Computed tomography, abdomen — axial view — soft-tissue window (W 400 / L 40) — 39-year-old female patient — scan has 15 labeled organs (that count is for the whole scan; organs this slice misses have no box)
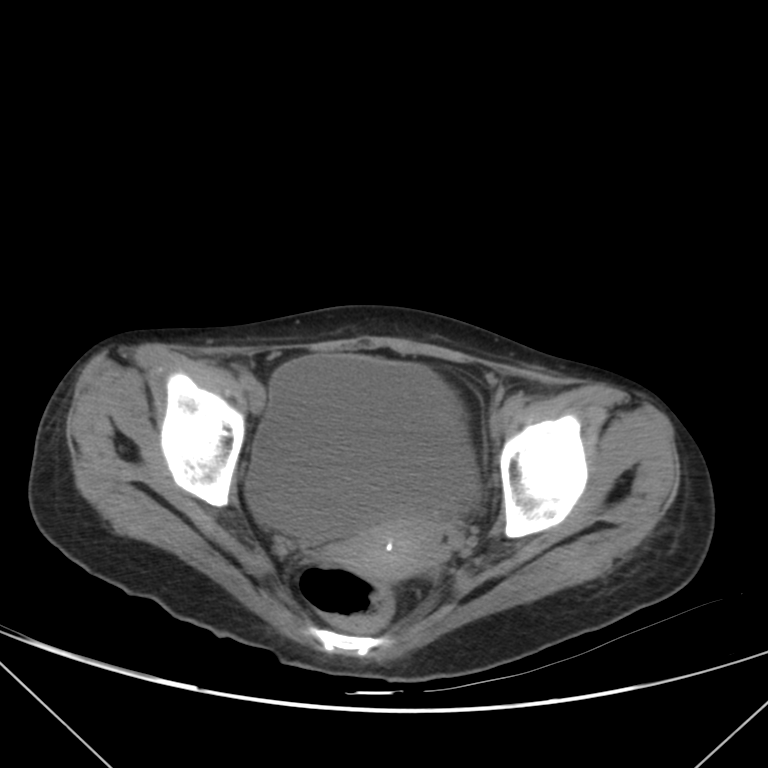

<organs><organ name="bladder" x1="245" y1="354" x2="476" y2="540"/><organ name="prostate/uterus" x1="338" y1="516" x2="441" y2="579"/></organs>